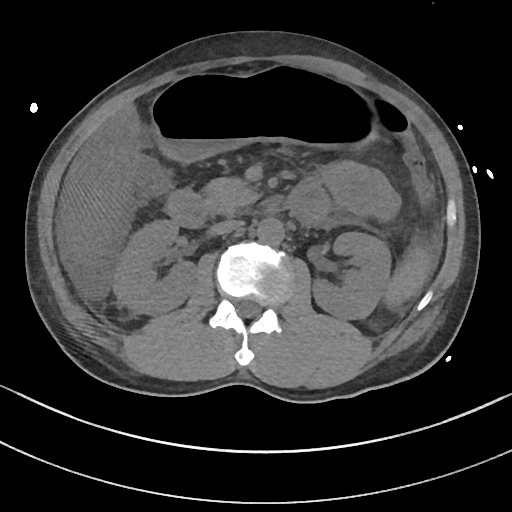
Computed tomography, abdomen · axial view · soft-tissue window
{"organs":{"spleen":[382,243,433,308],"right kidney":[113,220,197,315],"left kidney":[312,232,390,319],"liver":[61,103,142,263],"stomach":[150,72,379,161],"aorta":[256,217,284,245],"inferior vena cava":[208,219,243,235],"pancreas":[203,177,258,214],"duodenum":[166,184,325,227]}}